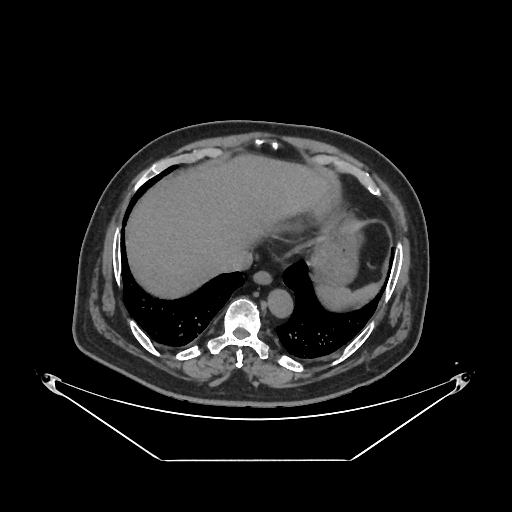 CT abdomen; axial view; 15 organs annotated in this scan (a whole-scan count: organs this slice does not pass through have no box)
{"organs":{"spleen":[316,283,380,310],"esophagus":[253,271,272,284],"liver":[126,154,332,298],"stomach":[312,227,358,286],"aorta":[268,289,293,317],"inferior vena cava":[221,250,252,271]}}